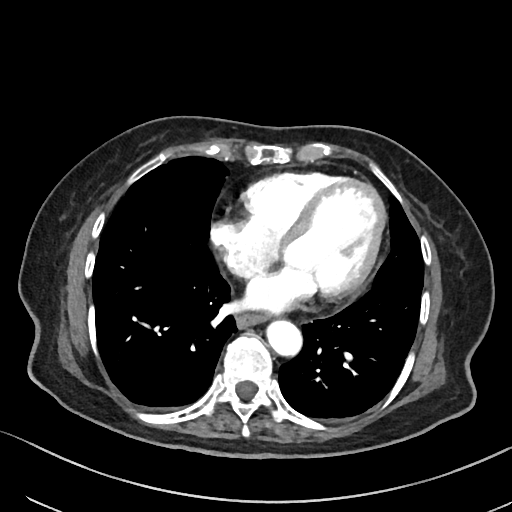 Abdominal CT; this slice is in the lower chest, just above the liver — Axial slice 218/297 — 512x512 px — scan has 15 labeled organs (counted over the whole 3D scan, not this slice; an organ is boxed only where this slice passes through it)
Of the structures in the chest, this dataset labels only the esophagus, the aorta and the inferior vena cava; the heart and lungs have no label.
Boxes are (x1, y1, x2, y2) in pixels.
esophagus: (237, 315, 266, 327)
aorta: (266, 319, 302, 357)